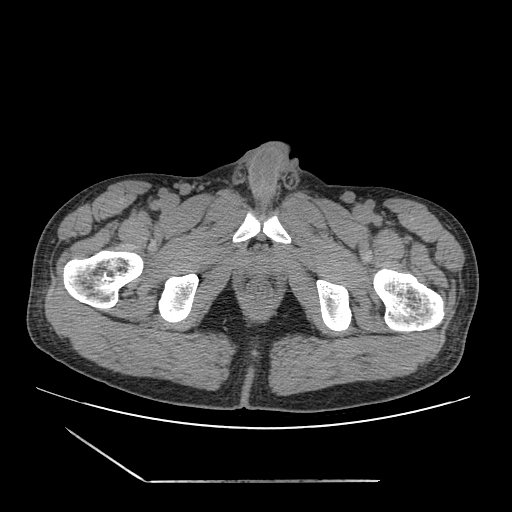 Computed tomography, abdomen; axial plane, index 16; abdomen soft-tissue window; 512x512 px; scan has 15 labeled organs (that count is for the whole scan; organs this slice misses have no box)
<organs><organ name="prostate/uterus" x1="248" y1="257" x2="274" y2="275"/></organs>